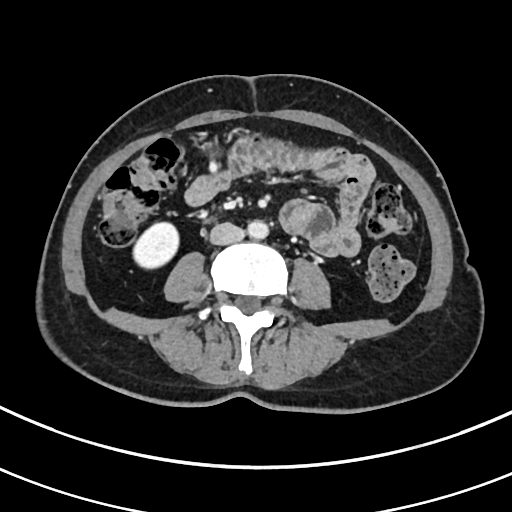 CT, abdomen/pelvis — axial view — soft-tissue window (W 400 / L 40)
Boxes: x1:y1:x2:y2 in pixels.
right kidney: 133:222:178:268
aorta: 247:220:268:238
inferior vena cava: 209:222:245:245